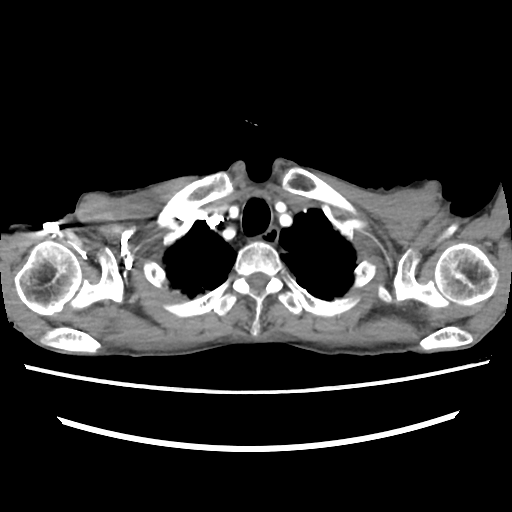

Abdominal CT reaching into the chest; this slice is in the chest; axial view; 512x512 px; 81-year-old male patient
At this level of the chest this dataset labels only the esophagus and the aorta, and each is boxed only where it is labeled; the heart and lungs are never labeled.
Organ boxes in pixel coordinates; each row gives the top-left (x1, y1) and bottom-right (x2, y2) corners.
| organ | x1 | y1 | x2 | y2 |
|---|---|---|---|---|
| esophagus | 262 | 227 | 277 | 242 |